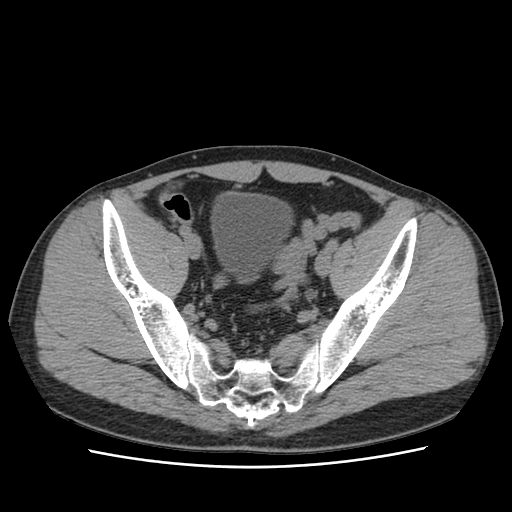
Abdominal CT; axial plane, index 48; scan has 15 labeled organs (that count is for the whole scan; organs this slice misses have no box)
Bounding boxes as [x1, y1, x2, y2] in pixel coordinates. 1 labeled organ on this slice — bladder at [212, 192, 292, 276].